CT abdomen — axial view — W/L 400/40 HU — 512x512 px
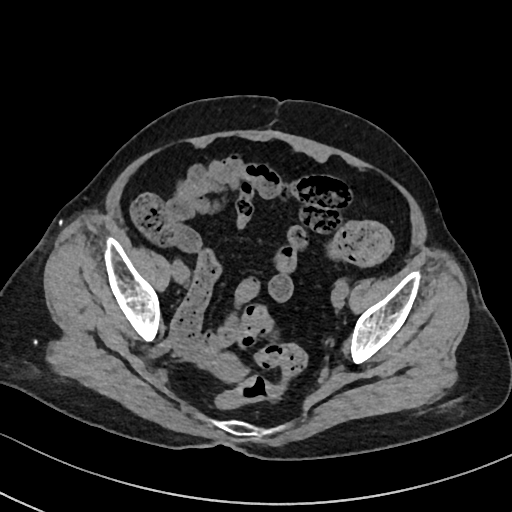 <organs><organ name="prostate/uterus" x1="211" y1="354" x2="245" y2="381"/></organs>